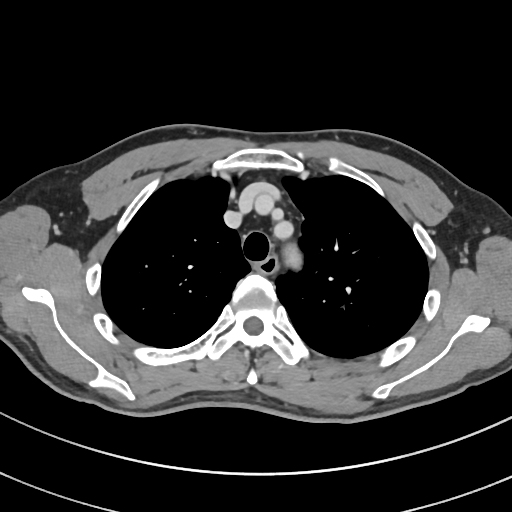 Chest-level CT slice, above the liver and spleen — axial view
At this level of the chest no structure but the esophagus and the aorta has a label in this dataset, and those two are boxed only where they are labeled.
Bounding boxes in pixels, one row per box: x1, y1 is the top-left corner and x2, y2 the bottom-right.
| organ | x1 | y1 | x2 | y2 |
|---|---|---|---|---|
| esophagus | 257 | 256 | 278 | 274 |
| aorta | 284 | 245 | 300 | 267 |